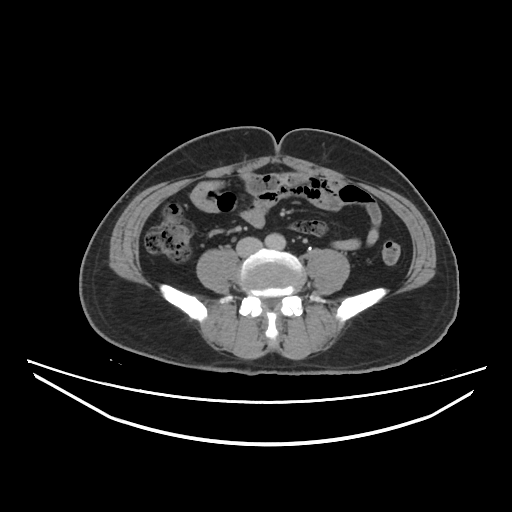 Abdominal CT · Axial slice 57/115 · 55-year-old male patient · Aquilion ONE scanner · 15 organs annotated in this scan (that count is for the whole scan; organs this slice misses have no box)
Bounding boxes in pixels, one row per box: x1, y1 is the top-left corner and x2, y2 the bottom-right.
| organ | x1 | y1 | x2 | y2 |
|---|---|---|---|---|
| left kidney | 275 | 249 | 281 | 250 |
| aorta | 266 | 233 | 286 | 249 |
| inferior vena cava | 236 | 237 | 262 | 257 |